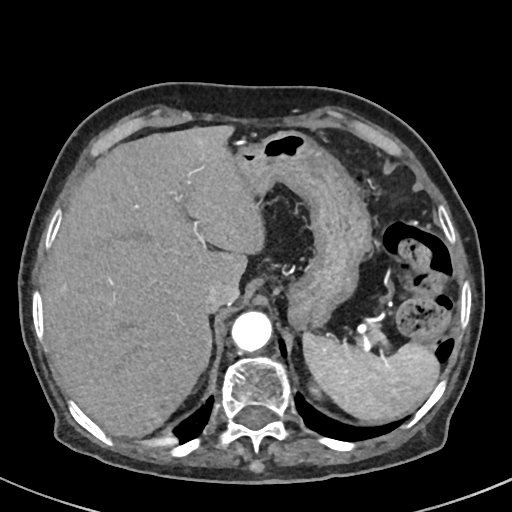 Abdominal CT · axial plane, index 163 · soft-tissue window (W 400 / L 40) · 512x512 px
{"organs":{"spleen":[303,332,439,422],"left kidney":[312,387,318,392],"liver":[42,125,264,437],"stomach":[233,131,371,329],"aorta":[231,311,272,351],"inferior vena cava":[204,280,239,312]}}